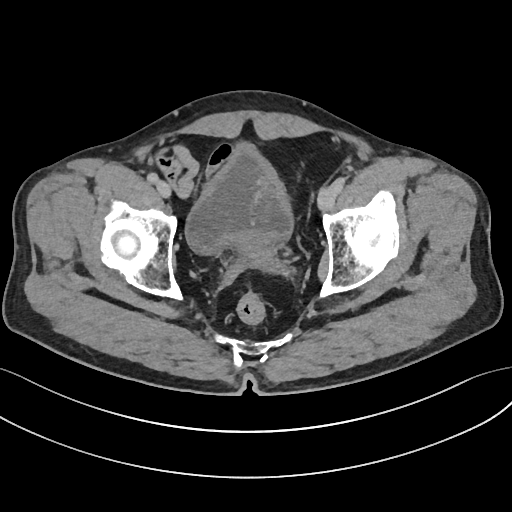
CT abdomen — axial view
Each box given as x1,y1,x2,y2.
prostate/uterus: x1=232, y1=236, x2=268, y2=256
bladder: x1=185, y1=150, x2=294, y2=254